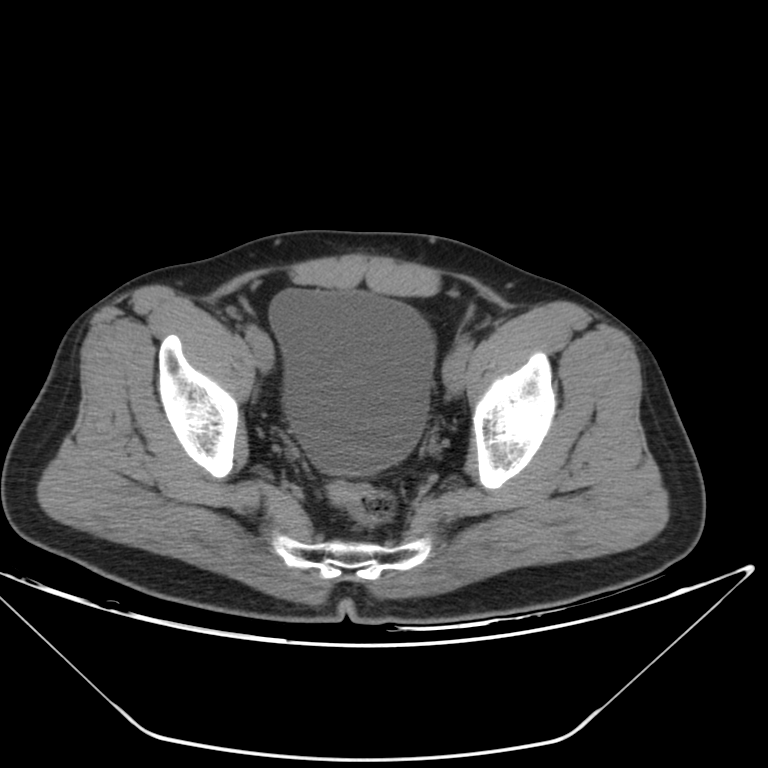

Abdominal CT; axial view; soft-tissue window; 50-year-old male patient
Each box given as x1,y1,x2,y2.
Organ bounding boxes:
- bladder: x1=269, y1=288, x2=434, y2=475